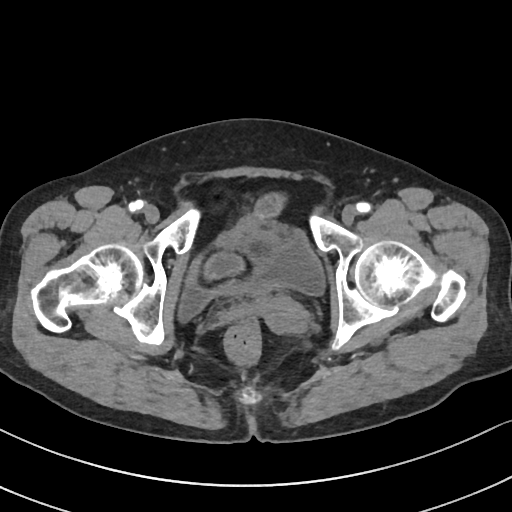

CT, abdomen/pelvis. Axial slice 28/294. 512x512 px
Bounding boxes as [x1, y1, x2, y2] in pixel coordinates.
Organ bounding boxes:
- bladder: [179, 216, 326, 323]
- prostate/uterus: [255, 296, 308, 336]